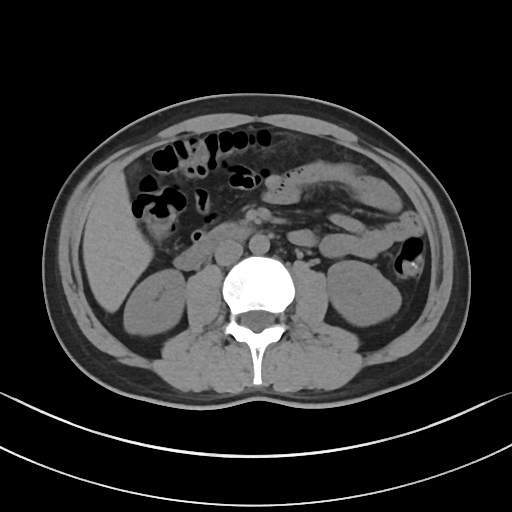

Abdominal CT · axial view
Organ boxes in pixel coordinates; each row gives the top-left (x1, y1) and bottom-right (x2, y2) corners.
| organ | x1 | y1 | x2 | y2 |
|---|---|---|---|---|
| right kidney | 124 | 269 | 185 | 334 |
| left kidney | 327 | 260 | 401 | 325 |
| liver | 82 | 171 | 153 | 312 |
| aorta | 249 | 234 | 269 | 254 |
| inferior vena cava | 214 | 240 | 243 | 265 |
| duodenum | 174 | 223 | 251 | 270 |